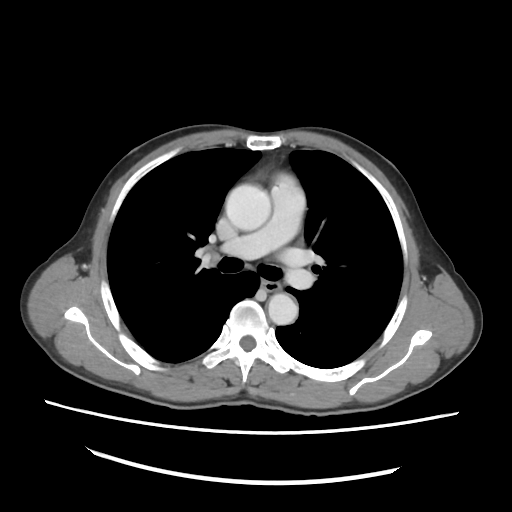
Chest-level CT slice, above the liver and spleen. axial view. soft-tissue window (W 400 / L 40). 15 organs annotated in this scan (counted over the whole 3D scan, not this slice; an organ is boxed only where this slice passes through it)
At this level of the chest no structure but the esophagus and the aorta has a label in this dataset, and those two are boxed only where they are labeled.
<organs><organ name="esophagus" x1="264" y1="282" x2="280" y2="291"/><organ name="aorta" x1="225" y1="184" x2="271" y2="230"/><organ name="aorta" x1="268" y1="293" x2="298" y2="324"/></organs>